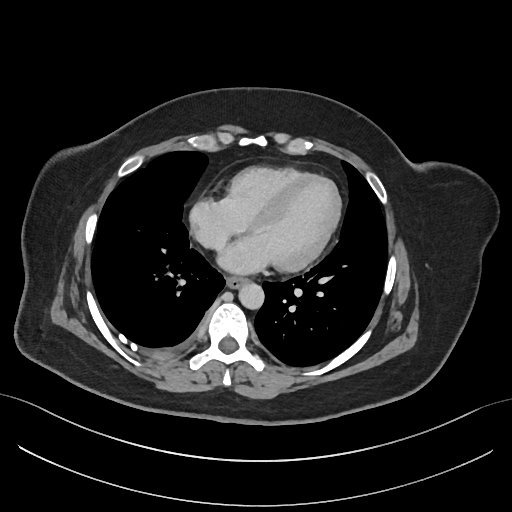
Lower-chest slice from an abdominal CT, just above the liver and spleen — axial view — soft-tissue window — acquired on SOMATOM Force
Of the structures in the chest, this dataset labels only the esophagus, the aorta and the inferior vena cava; the heart and lungs have no label.
Organ boxes in pixel coordinates; each row gives the top-left (x1, y1) and bottom-right (x2, y2) corners.
| organ | x1 | y1 | x2 | y2 |
|---|---|---|---|---|
| aorta | 238 | 283 | 264 | 309 |
| esophagus | 226 | 277 | 247 | 288 |